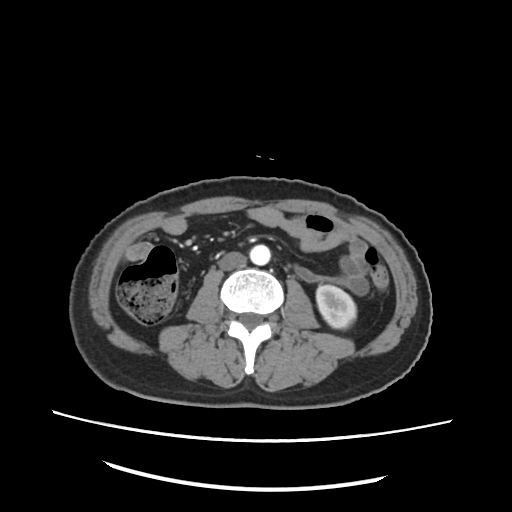

CT, abdomen/pelvis · axial plane, index 54 · W/L 400/40 HU · 54-year-old male patient · Aquilion ONE scanner
Coordinates as <box>x1,y1,x2,y2</box> in pixels.
Organ bounding boxes:
- inferior vena cava: <box>219,252,248,272</box>
- aorta: <box>251,245,270,264</box>
- left kidney: <box>316,284,356,328</box>